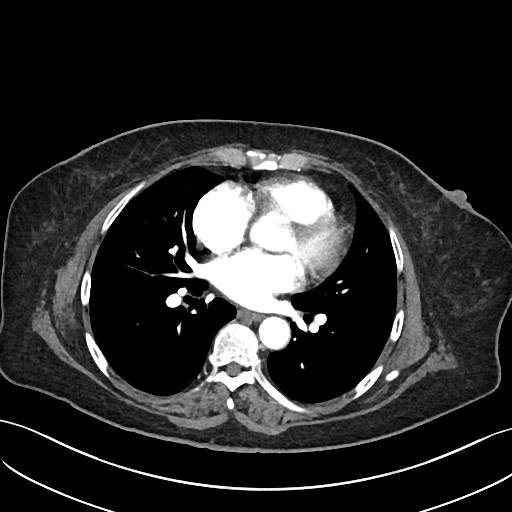

Chest-level CT slice, above the liver and spleen — axial view — soft-tissue window — 512x512 px
At this level of the chest no structure but the esophagus and the aorta has a label in this dataset, and those two are boxed only where they are labeled.
Organ boxes in pixel coordinates; each row gives the top-left (x1, y1) and bottom-right (x2, y2) corners.
| organ | x1 | y1 | x2 | y2 |
|---|---|---|---|---|
| aorta | 258 | 317 | 289 | 350 |
| esophagus | 239 | 311 | 261 | 320 |